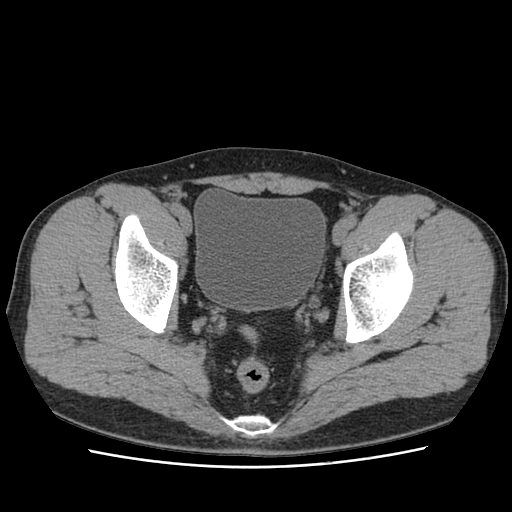 Computed tomography, abdomen · axial plane, index 36 · 512x512 px
Bounding boxes in pixels, one row per box: x1, y1 is the top-left corner and x2, y2 the bottom-right.
| organ | x1 | y1 | x2 | y2 |
|---|---|---|---|---|
| bladder | 194 | 189 | 325 | 310 |